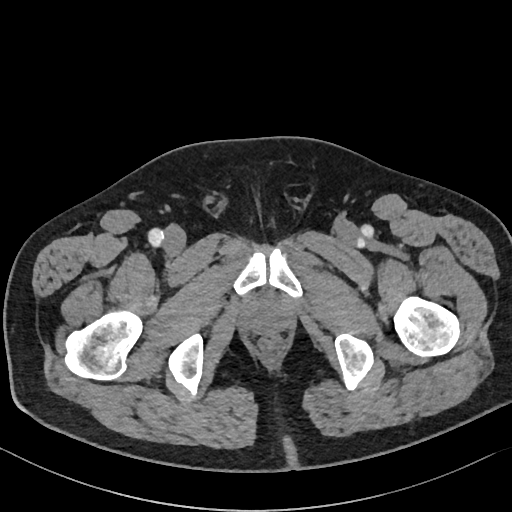

CT abdomen. axial plane, index 8. 512x512 px
Box edges are left/top/right/bottom in pixels. 1 labeled organ on this slice — prostate/uterus at left=245, top=300, right=286, bottom=331.